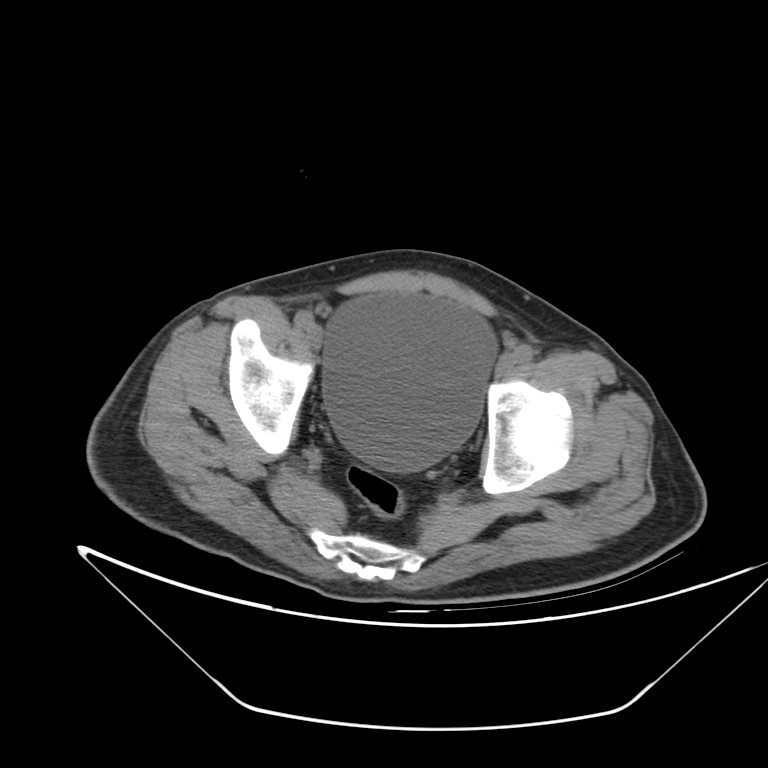
Computed tomography, abdomen · axial view · soft-tissue window · 768x768 px
<organs><organ name="bladder" x1="325" y1="294" x2="494" y2="472"/></organs>